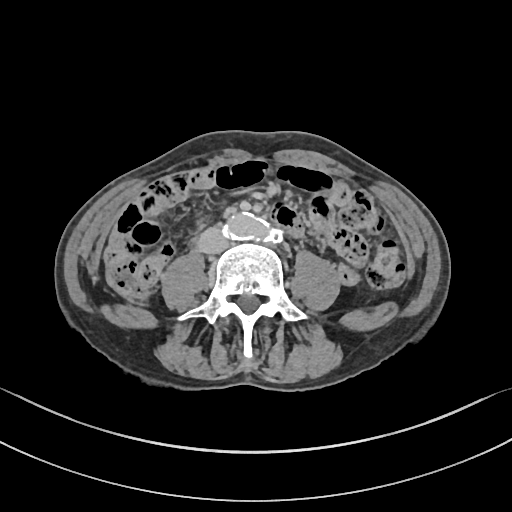
Computed tomography, abdomen — Axial slice 110/204 — soft-tissue window (W 400 / L 40) — 512x512 px — 15 organs annotated in this scan (a whole-scan count: organs this slice does not pass through have no box)
{"organs":{"aorta":[224,215,284,245],"inferior vena cava":[197,229,226,254],"duodenum":[197,235,200,240]}}